Abdominal CT — Axial slice 77/82 — soft-tissue window (W 400 / L 40) — 768x768 px — 15 organs annotated in this scan (that count is for the whole scan; organs this slice misses have no box)
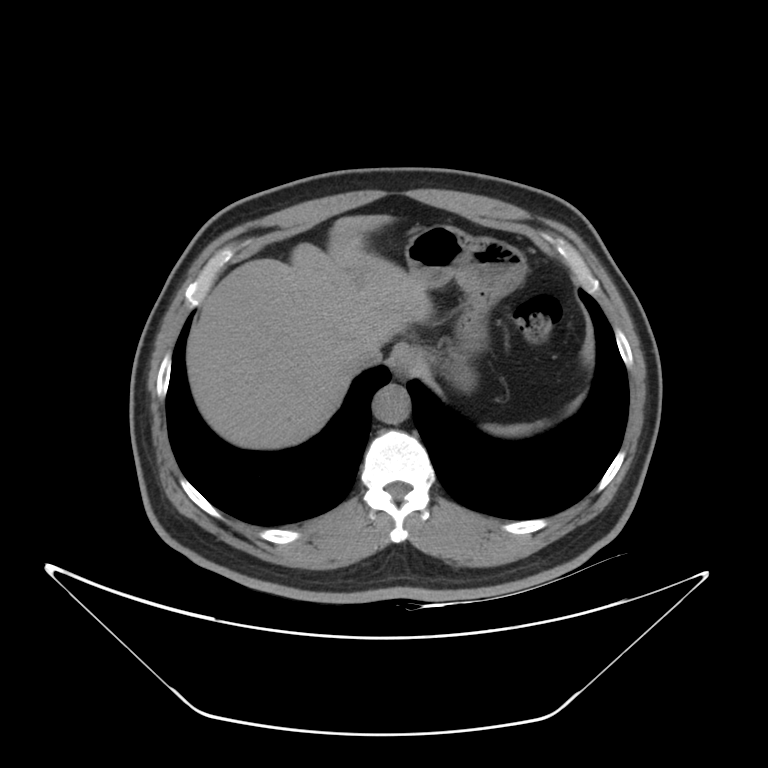
Boxes: x1:y1:x2:y2 in pixels.
Organ bounding boxes:
- esophagus: 391:343:425:378
- spleen: 485:423:534:437
- inferior vena cava: 350:343:381:369
- liver: 186:214:433:449
- aorta: 372:384:410:424
- stomach: 405:224:526:390